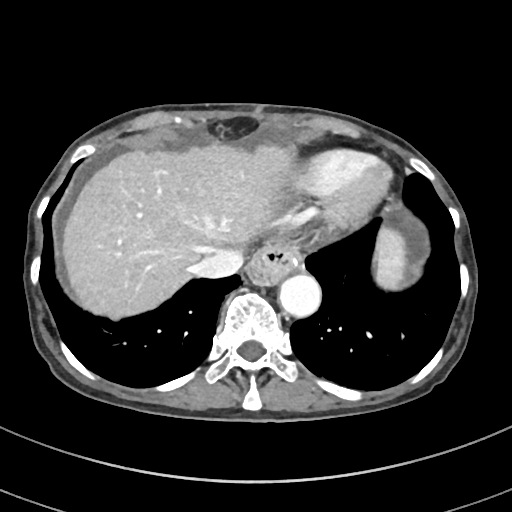 Computed tomography, abdomen. axial view. soft-tissue window (W 400 / L 40)
Boxes are (x1, y1, x2, y2) in pixels. 5 labeled organs on this slice — spleen at (376, 228, 404, 287); esophagus at (247, 245, 301, 285); inferior vena cava at (193, 243, 245, 277); aorta at (279, 275, 321, 318); liver at (64, 144, 293, 315).